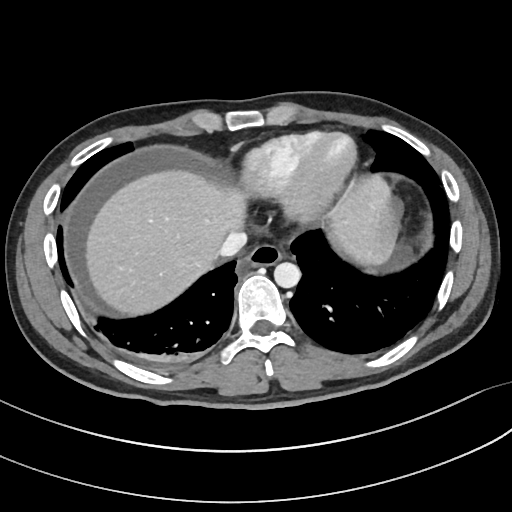

CT, abdomen/pelvis — axial view — SOMATOM Force scanner
{"organs":{"esophagus":[236,244,284,274],"liver":[85,169,389,315],"stomach":[378,204,400,261],"aorta":[273,262,300,288],"inferior vena cava":[219,231,247,256]}}